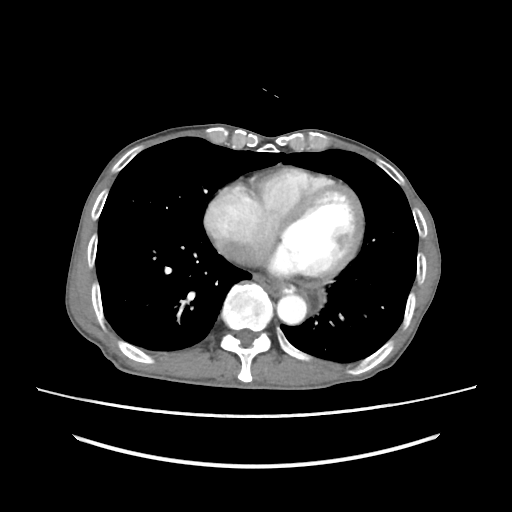 CT of the abdomen reaching into the lower chest, slice just above the liver and spleen; Axial slice 86/126; 512x512 px; 62-year-old male patient
The heart and lungs are never labeled in this dataset, so they have no box on this slice.
{"organs":{"aorta":[277,294,307,324],"esophagus":[253,274,293,294],"inferior vena cava":[221,243,246,262]}}